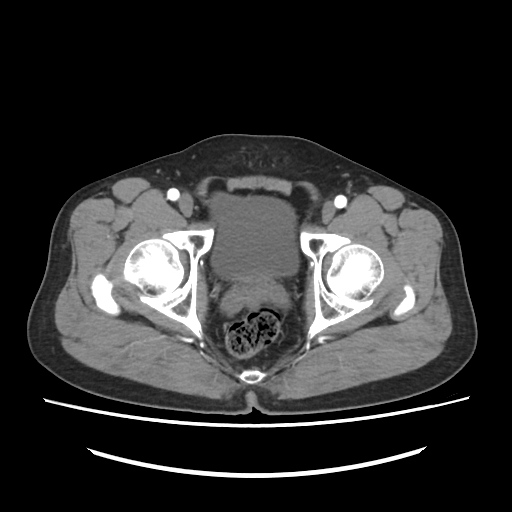

Abdominal CT; Axial slice 22/134; soft-tissue window
<organs><organ name="bladder" x1="210" y1="193" x2="298" y2="279"/><organ name="prostate/uterus" x1="240" y1="274" x2="272" y2="293"/></organs>